Computed tomography, abdomen — axial plane, index 164 — 512x512 px — acquired on SOMATOM Force
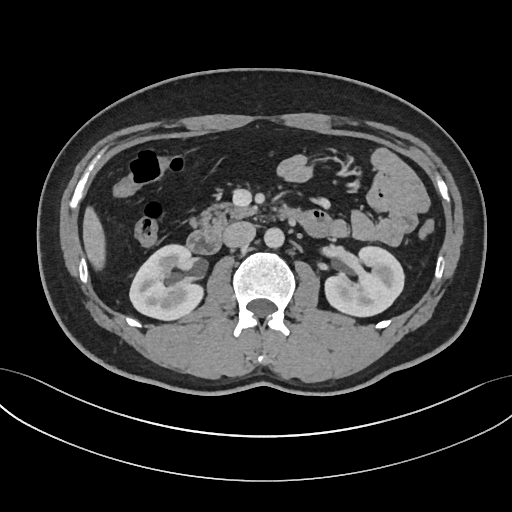 <organs><organ name="right kidney" x1="130" y1="244" x2="202" y2="319"/><organ name="left kidney" x1="324" y1="245" x2="404" y2="316"/><organ name="liver" x1="84" y1="207" x2="105" y2="267"/><organ name="aorta" x1="264" y1="227" x2="284" y2="248"/><organ name="inferior vena cava" x1="223" y1="221" x2="255" y2="247"/><organ name="pancreas" x1="189" y1="203" x2="253" y2="228"/><organ name="duodenum" x1="188" y1="205" x2="330" y2="253"/></organs>